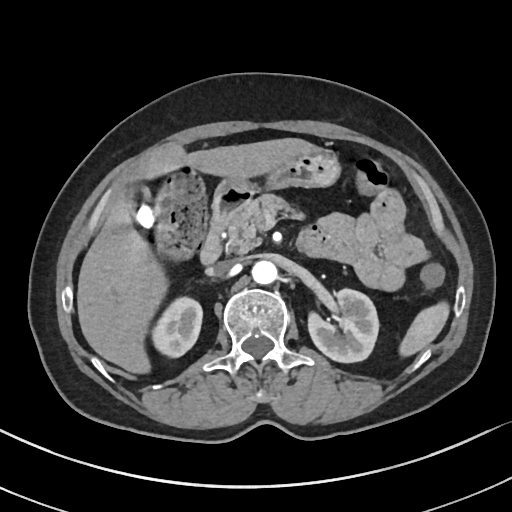

Computed tomography, abdomen · axial view · 512x512 px · acquired on SOMATOM Force · 15 organs annotated in this scan (a whole-scan count: organs this slice does not pass through have no box)
{"organs":{"spleen":[400,304,451,355],"right kidney":[153,298,201,356],"left kidney":[307,289,378,362],"gall bladder":[128,183,155,228],"liver":[77,138,323,375],"stomach":[217,152,341,195],"aorta":[251,260,278,285],"inferior vena cava":[209,260,236,275],"pancreas":[227,194,304,252],"duodenum":[200,188,251,263]}}